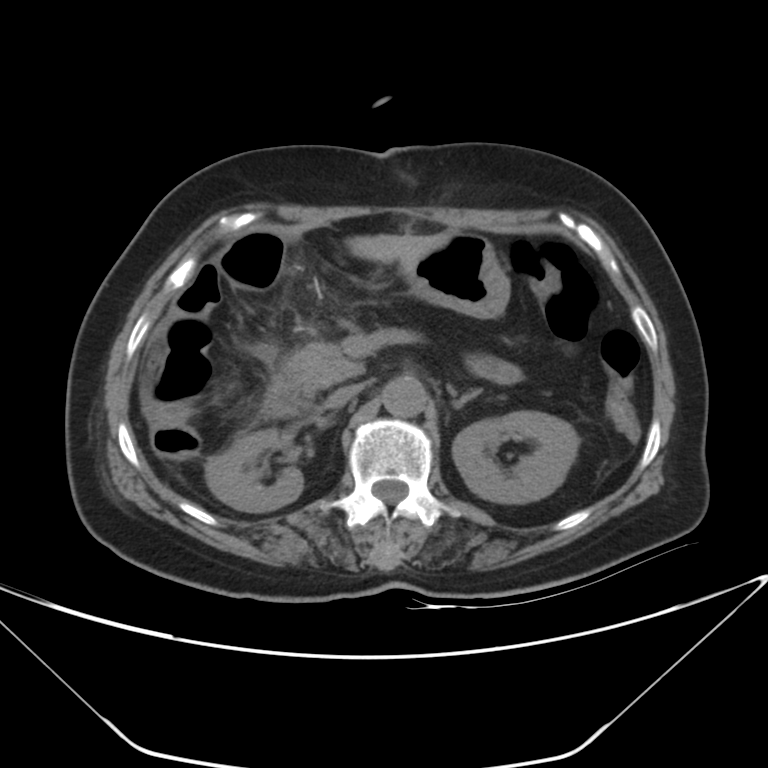 Abdominal CT · axial view · soft-tissue window · scan has 14 labeled organs (counted over the whole 3D scan, not this slice; an organ is boxed only where this slice passes through it)
Boxes: x1:y1:x2:y2 in pixels.
right kidney: 205:429:303:512
left kidney: 452:411:578:503
liver: 346:232:451:272
stomach: 406:233:510:318
aorta: 382:375:427:417
inferior vena cava: 325:384:360:408
pancreas: 283:341:364:387
left adrenal gland: 449:387:480:407
duodenum: 262:372:312:417